CT of the abdomen reaching into the lower chest, slice just above the liver and spleen — axial view — W/L 400/40 HU — 512x512 px
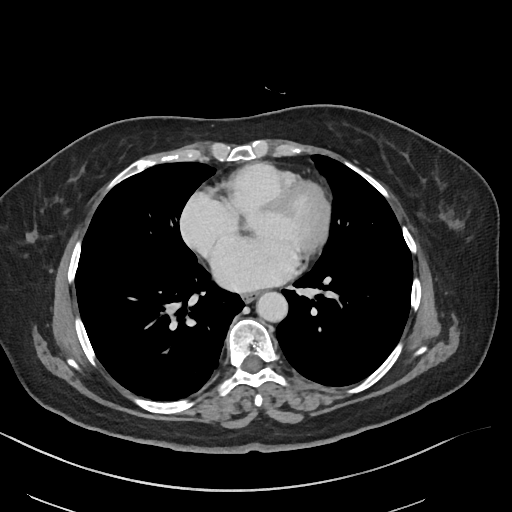
No part of the heart or lungs is labeled in this dataset, so neither has a box here.
{"organs":{"aorta":[256,292,288,322],"esophagus":[242,292,259,302]}}